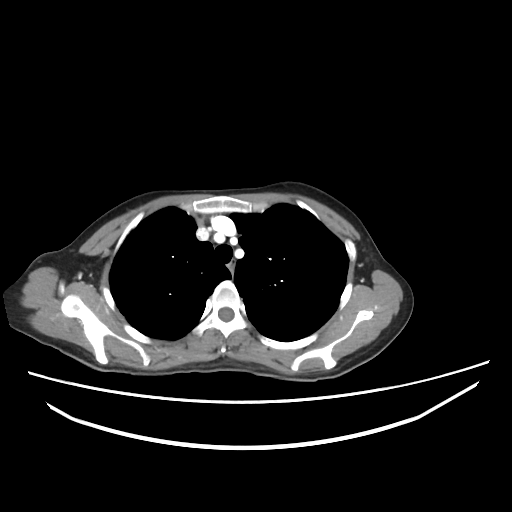
Chest-level slice from an abdominal CT that extends up into the chest · axial view · soft-tissue window · 43-year-old female patient
On a slice this high in the chest, this dataset labels only the esophagus and the aorta, and each is boxed only where it is labeled; the heart, lungs and other chest structures are not labeled.
<organs><organ name="esophagus" x1="228" y1="259" x2="233" y2="272"/></organs>